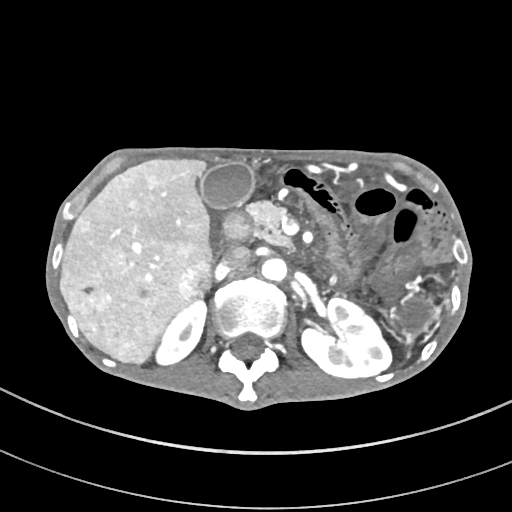

Computed tomography, abdomen · axial view · W/L 400/40 HU
Box edges are left/top/right/bottom in pixels.
right kidney: left=156, top=302, right=207, bottom=367
left kidney: left=302, top=297, right=392, bottom=378
gall bladder: left=198, top=163, right=253, bottom=209
liver: left=59, top=159, right=214, bottom=364
aorta: left=262, top=258, right=287, bottom=283
inferior vena cava: left=221, top=247, right=251, bottom=273
pancreas: left=247, top=199, right=293, bottom=247
duodenum: left=224, top=211, right=252, bottom=241